CT, abdomen/pelvis · axial view · soft-tissue window
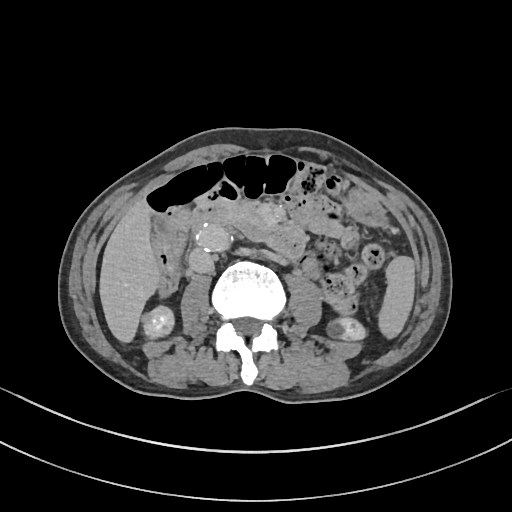 Bounding boxes as [x1, y1, x2, y2] in pixel coordinates.
liver: [99, 200, 158, 341]
right kidney: [143, 307, 175, 337]
left kidney: [327, 318, 366, 342]
pancreas: [235, 205, 264, 222]
inferior vena cava: [188, 248, 213, 272]
duodenum: [193, 200, 305, 259]
aorta: [193, 224, 228, 252]
stomach: [350, 190, 387, 226]
gall bladder: [153, 216, 175, 238]
spleen: [379, 256, 414, 337]